Computed tomography, abdomen. Axial slice 42/90. abdomen soft-tissue window. Aquilion ONE scanner
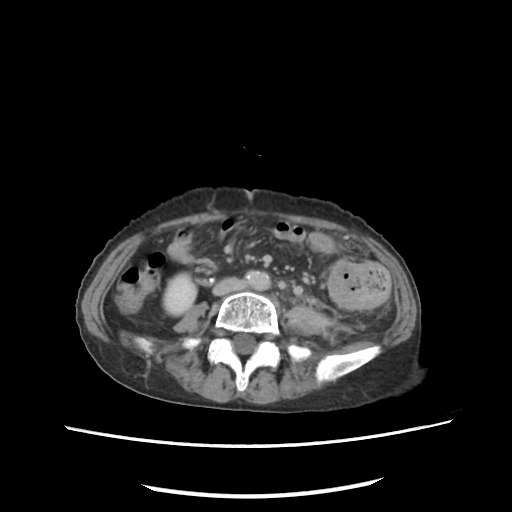

Boxes: x1 y1 x2 y2 (pixel coords, space-separated). Labeled organs on this slice: right kidney at 163 273 196 315, aorta at 245 270 270 290, inferior vena cava at 216 279 241 293.